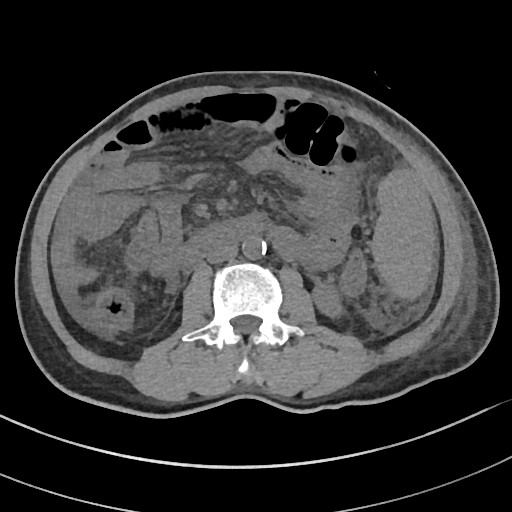
Abdominal CT; Axial slice 113/206; W/L 400/40 HU; acquired on SOMATOM Force
{"organs":{"left kidney":[313,284,340,316],"duodenum":[183,216,259,267],"spleen":[371,168,433,295],"aorta":[242,235,265,258],"inferior vena cava":[206,243,237,263]}}